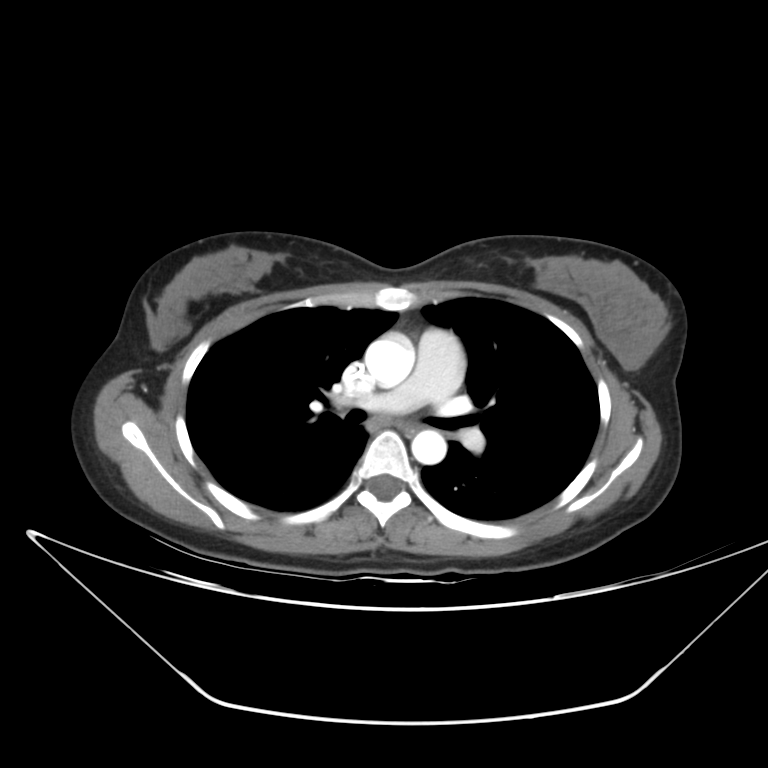

CT of the abdomen extending into the chest, slice through the chest. axial view. soft-tissue window (W 400 / L 40)
At this level of the chest no structure but the esophagus and the aorta has a label in this dataset, and those two are boxed only where they are labeled.
Box edges are left/top/right/bottom in pixels.
Organ bounding boxes:
- esophagus: left=395, top=420, right=422, bottom=437
- aorta: left=364, top=333, right=414, bottom=386
- aorta: left=411, top=430, right=446, bottom=464